CT abdomen. axial view. 512x512 px. SOMATOM Force scanner
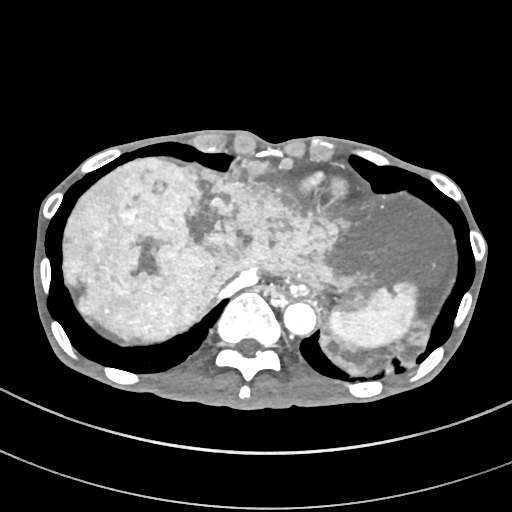
Coordinates as <box>x1,y1,x2,y2</box> in pixels.
Organ bounding boxes:
- liver: <box>61,157,449,376</box>
- spleen: <box>329,282,417,350</box>
- inferior vena cava: <box>215,270,258,298</box>
- aorta: <box>283,302,317,335</box>
- esophagus: <box>287,283,308,296</box>